CT abdomen — axial view — soft-tissue window (W 400 / L 40)
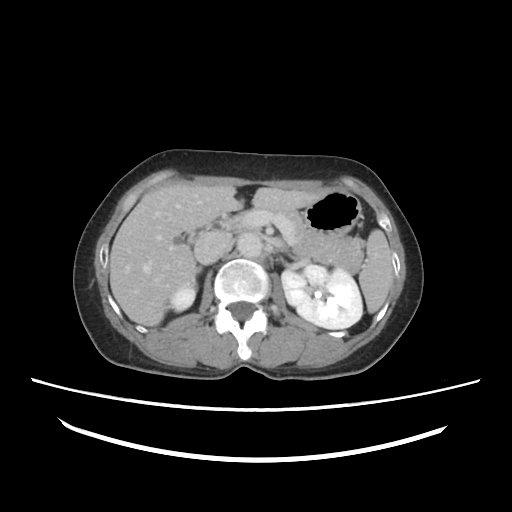

<organs><organ name="pancreas" x1="270" y1="206" x2="365" y2="274"/><organ name="aorta" x1="237" y1="241" x2="263" y2="258"/><organ name="left kidney" x1="237" y1="234" x2="363" y2="329"/><organ name="liver" x1="109" y1="183" x2="328" y2="325"/><organ name="spleen" x1="358" y1="229" x2="392" y2="314"/><organ name="duodenum" x1="186" y1="216" x2="244" y2="245"/><organ name="right kidney" x1="170" y1="280" x2="198" y2="312"/><organ name="right adrenal gland" x1="196" y1="266" x2="202" y2="276"/><organ name="stomach" x1="304" y1="190" x2="359" y2="234"/><organ name="inferior vena cava" x1="195" y1="231" x2="229" y2="264"/></organs>